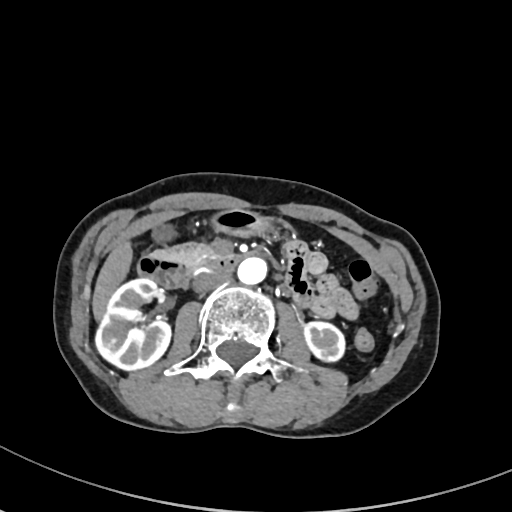 Abdominal CT — Axial slice 135/207 — soft-tissue window (W 400 / L 40) — scan has 15 labeled organs (counted over the whole 3D scan, not this slice; an organ is boxed only where this slice passes through it)
Bounding boxes as [x1, y1, x2, y2] in pixel coordinates. 9 labeled organs on this slice — right kidney at [95, 276, 170, 369]; left kidney at [303, 322, 343, 361]; gall bladder at [154, 226, 170, 239]; liver at [93, 242, 131, 320]; stomach at [213, 211, 270, 236]; aorta at [237, 257, 268, 285]; inferior vena cava at [193, 272, 227, 292]; pancreas at [148, 242, 215, 261]; duodenum at [138, 245, 265, 288].